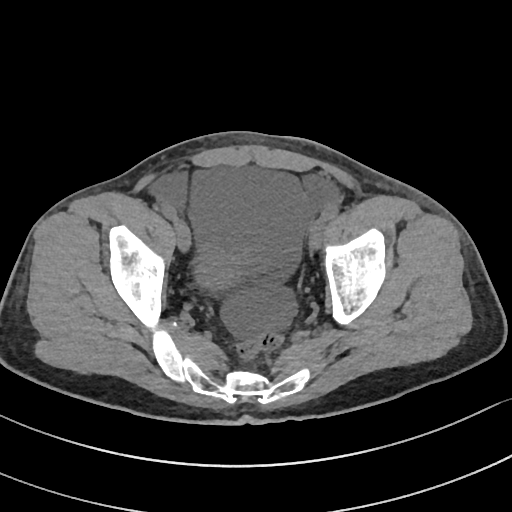

Computed tomography, abdomen. axial view. soft-tissue window (W 400 / L 40). 512x512 px
<organs><organ name="bladder" x1="195" y1="245" x2="263" y2="290"/></organs>